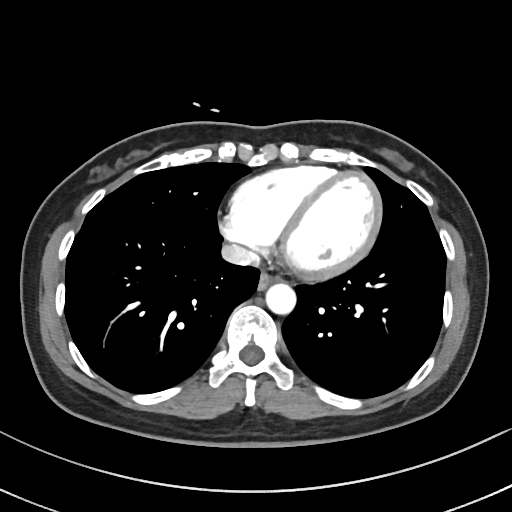 Abdominal CT; this slice is in the lower chest, just above the liver; axial view; soft-tissue window, W/L 400/40; 512x512 px
Of the structures in the chest, this dataset labels only the esophagus, the aorta and the inferior vena cava; the heart and lungs have no label.
Box edges are left/top/right/bottom in pixels.
esophagus: left=258, top=272, right=279, bottom=289
aorta: left=265, top=283, right=296, bottom=314
inferior vena cava: left=221, top=244, right=259, bottom=265